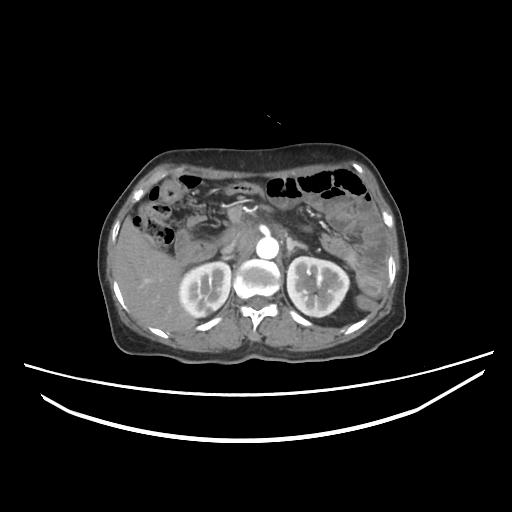
Computed tomography, abdomen · axial view · 512x512 px
Bounding boxes in pixels, one row per box: x1, y1 is the top-left corner and x2, y2 the bottom-right.
| organ | x1 | y1 | x2 | y2 |
|---|---|---|---|---|
| right kidney | 179 | 261 | 230 | 316 |
| left kidney | 286 | 256 | 348 | 316 |
| liver | 114 | 217 | 195 | 330 |
| aorta | 256 | 235 | 278 | 258 |
| inferior vena cava | 220 | 226 | 248 | 253 |
| right adrenal gland | 219 | 254 | 233 | 259 |
| left adrenal gland | 286 | 238 | 311 | 250 |
| duodenum | 172 | 229 | 217 | 260 |